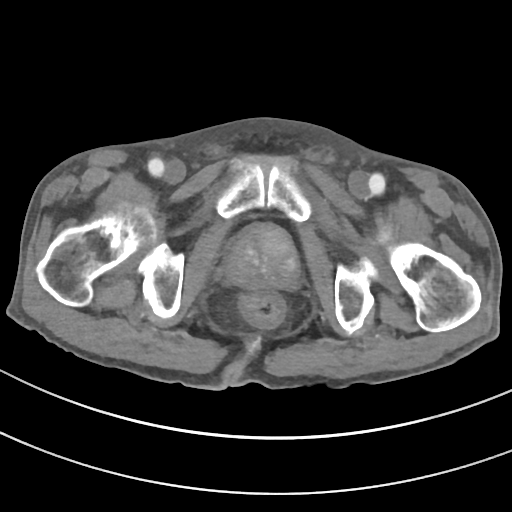

CT, abdomen/pelvis. axial view. 512x512 px
Each box given as x1,y1,x2,y2. Labeled organs on this slice: prostate/uterus at x1=226, y1=226, x2=297, y2=288.